Abdominal CT. axial view. scan has 15 labeled organs (a whole-scan count: organs this slice does not pass through have no box)
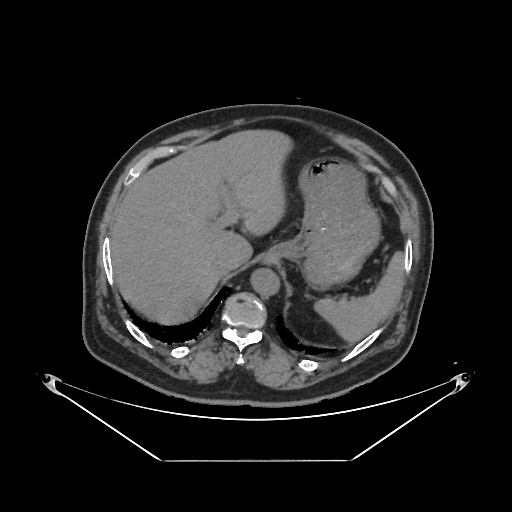
{"organs":{"spleen":[314,251,404,341],"liver":[110,129,291,322],"stomach":[264,160,379,289],"aorta":[250,268,279,295],"inferior vena cava":[215,255,238,274]}}